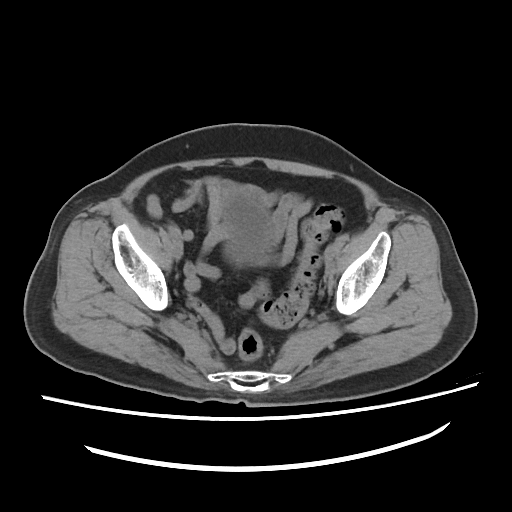
CT, abdomen/pelvis · axial view · 512x512 px · 61-year-old female patient
Bounding boxes as [x1, y1, x2, y2] in pixel coordinates. Labeled organs on this slice: bladder at [227, 198, 266, 253].